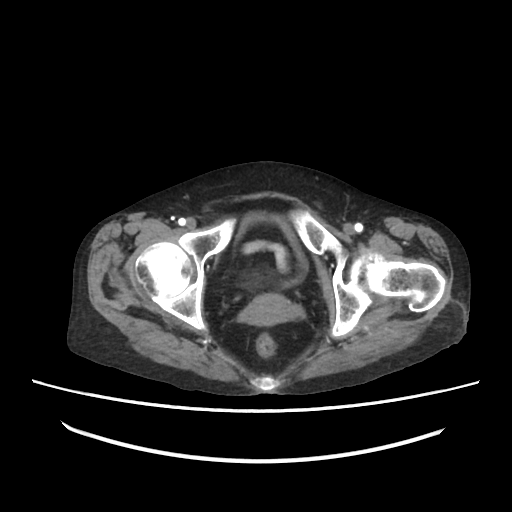

CT abdomen — axial view — soft-tissue window (W 400 / L 40)
Boxes: x1:y1:x2:y2 in pixels. 2 labeled organs on this slice — prostate/uterus at 241:293:303:323; bladder at 236:216:308:286.